Computed tomography, abdomen — axial view — SOMATOM Force scanner — 15 organs annotated in this scan (that count is for the whole scan; organs this slice misses have no box)
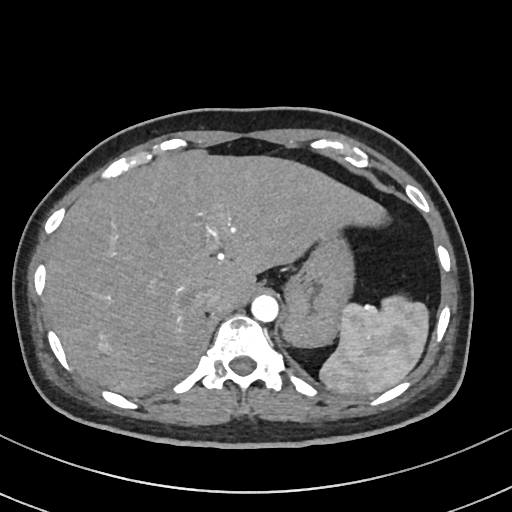

<organs><organ name="spleen" x1="321" y1="295" x2="429" y2="396"/><organ name="liver" x1="44" y1="149" x2="385" y2="396"/><organ name="stomach" x1="285" y1="228" x2="353" y2="347"/><organ name="aorta" x1="251" y1="294" x2="278" y2="321"/><organ name="inferior vena cava" x1="194" y1="286" x2="222" y2="310"/></organs>